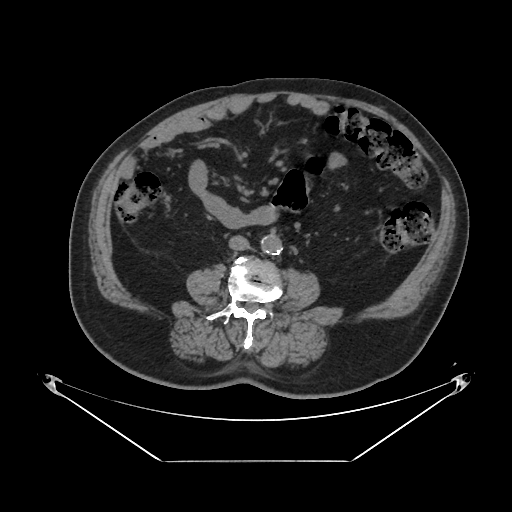 CT, abdomen/pelvis; axial view; abdomen soft-tissue window
One row per box, in pixels: columns x1 and y1 give the top-left corner, x2 and y2 the bottom-right.
| organ | x1 | y1 | x2 | y2 |
|---|---|---|---|---|
| aorta | 262 | 236 | 283 | 256 |
| inferior vena cava | 228 | 236 | 249 | 251 |